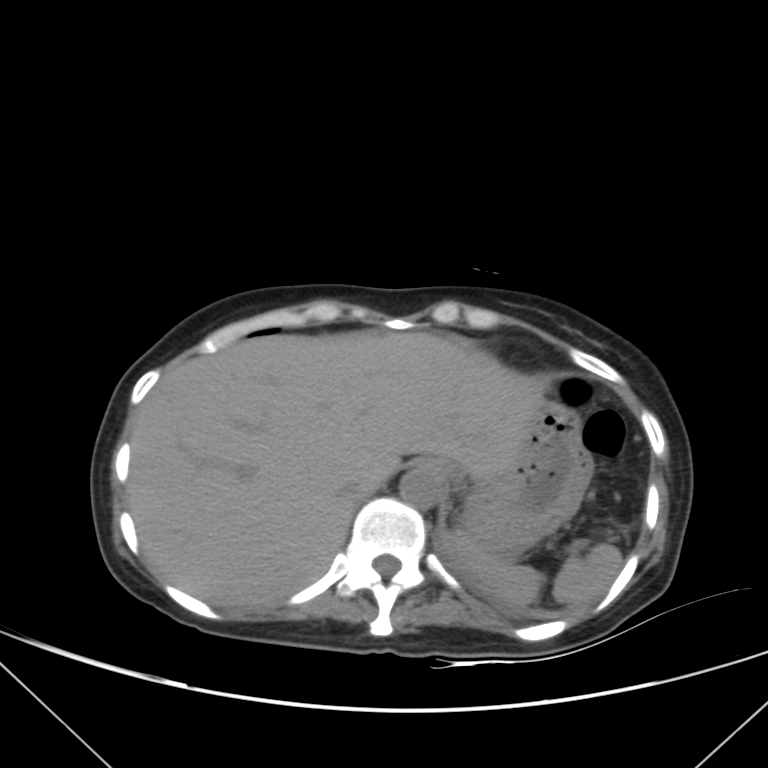
CT, abdomen/pelvis. axial view. W/L 400/40 HU. 768x768 px. 39-year-old female patient
<organs><organ name="spleen" x1="455" y1="533" x2="622" y2="606"/><organ name="esophagus" x1="413" y1="458" x2="452" y2="479"/><organ name="liver" x1="127" y1="332" x2="544" y2="606"/><organ name="stomach" x1="458" y1="403" x2="593" y2="557"/><organ name="aorta" x1="399" y1="469" x2="444" y2="508"/><organ name="inferior vena cava" x1="339" y1="483" x2="365" y2="500"/></organs>